CT, abdomen/pelvis; axial view; 768x768 px; acquired on Brilliance16
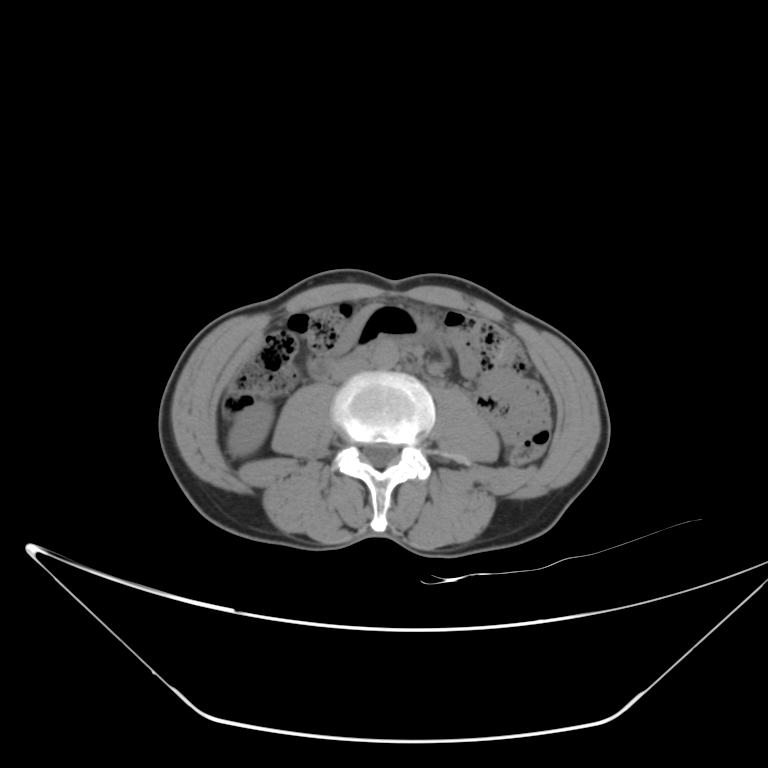 Boxes: x1 y1 x2 y2 (pixel coords, space-separated).
Organ bounding boxes:
- right kidney: 228 402 273 456
- aorta: 370 337 398 368
- inferior vena cava: 331 357 368 381
- duodenum: 309 358 334 379